CT, abdomen/pelvis — axial plane, index 8 — soft-tissue window (W 400 / L 40) — acquired on SOMATOM Force
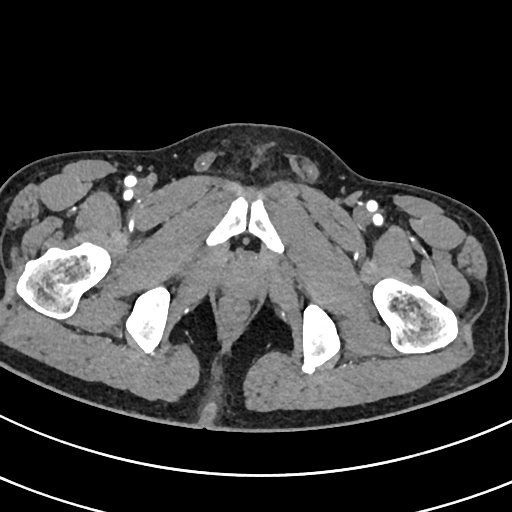

Each box given as x1,y1,x2,y2.
prostate/uterus: x1=223, y1=262, x2=259, y2=296